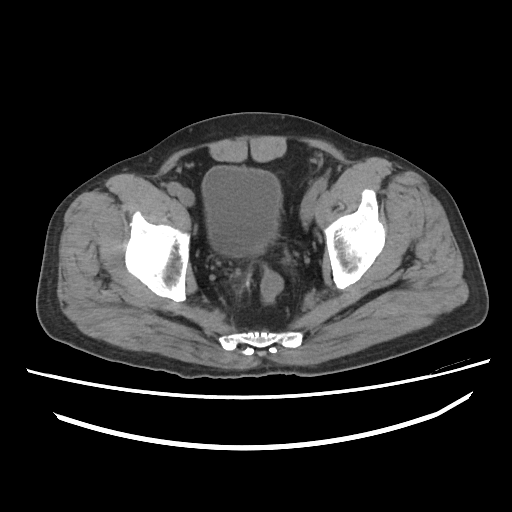

CT abdomen · axial view · 512x512 px · 48-year-old male patient · Aquilion ONE scanner
One row per box, in pixels: columns x1 and y1 give the top-left corner, x2 and y2 the bottom-right.
| organ | x1 | y1 | x2 | y2 |
|---|---|---|---|---|
| bladder | 202 | 166 | 281 | 256 |